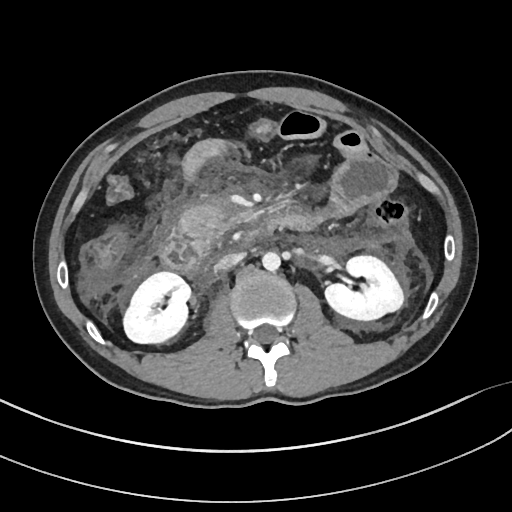 CT abdomen. axial plane, index 143. soft-tissue window. 512x512 px
{"organs":{"right kidney":[123,271,191,344],"left kidney":[324,256,403,321],"aorta":[262,252,280,270],"inferior vena cava":[215,252,244,270],"pancreas":[178,204,235,250],"duodenum":[159,220,265,279]}}